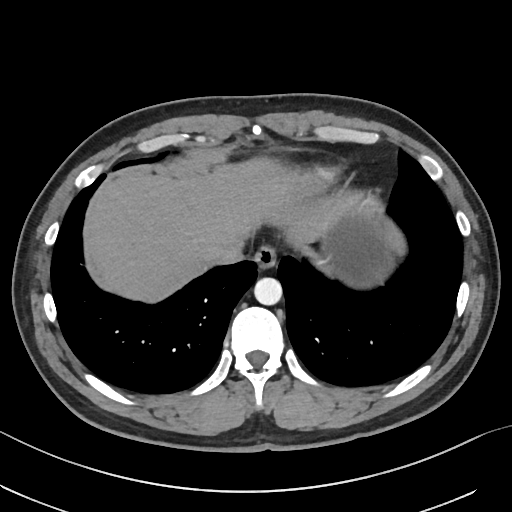 CT abdomen — axial view — 512x512 px — 15 organs annotated in this scan (a whole-scan count: organs this slice does not pass through have no box)
Boxes: x1:y1:x2:y2 in pixels.
Organ bounding boxes:
- esophagus: 254:245:276:268
- liver: 91:157:361:302
- stomach: 326:202:403:287
- aorta: 254:277:282:305
- inferior vena cava: 208:241:244:264